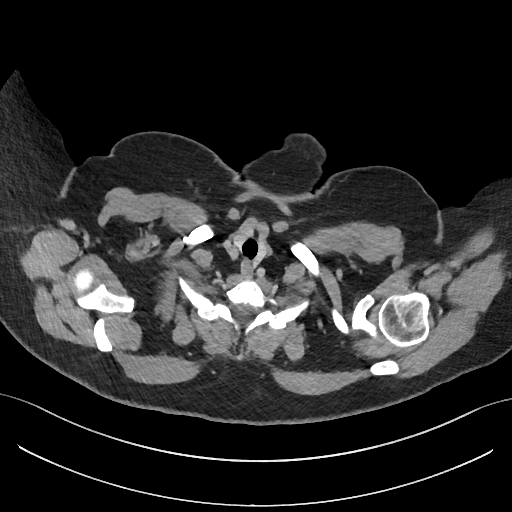
CT of the abdomen extending into the chest, slice through the chest. Axial slice 296/305. soft-tissue window, W/L 400/40
On a slice this high in the chest, this dataset labels only the esophagus and the aorta, and each is boxed only where it is labeled; the heart, lungs and other chest structures are not labeled.
Boxes: x1 y1 x2 y2 (pixel coords, space-separated).
esophagus: 240 261 254 280